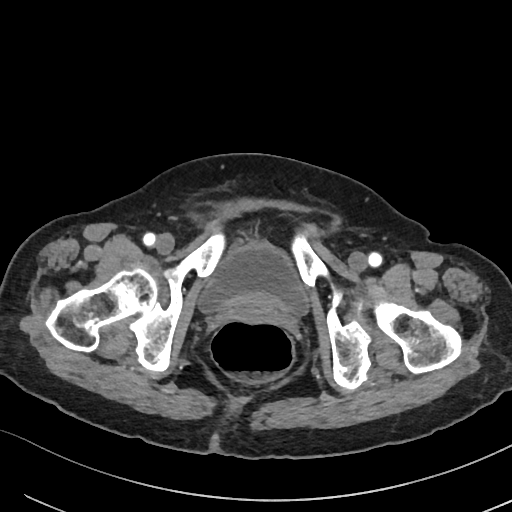 CT abdomen · axial view · abdomen soft-tissue window · SOMATOM Force scanner · scan has 15 labeled organs (that count is for the whole scan; organs this slice misses have no box)
Coordinates as <box>x1,y1,x2,y2</box> in pixels.
bladder: <box>198,242,308,315</box>